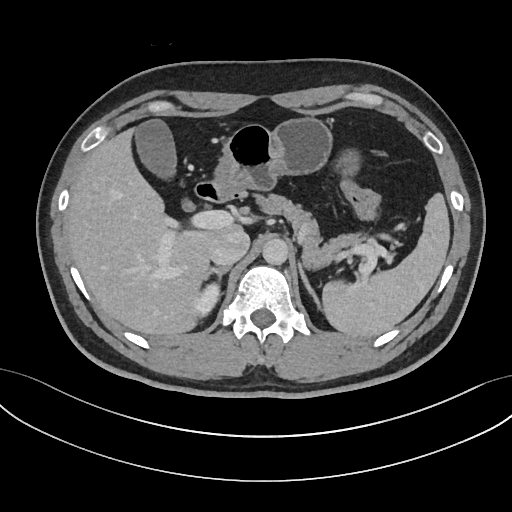
Abdominal CT. axial view. acquired on SOMATOM Force
Boxes: x1 y1 x2 y2 (pixel coords, space-separated).
Organ bounding boxes:
- liver: 65 128 240 335
- left adrenal gland: 299 265 320 307
- inferior vena cava: 210 229 249 265
- spleen: 324 193 449 336
- gall bladder: 135 119 192 210
- duodenum: 194 181 241 202
- stomach: 214 117 360 195
- right adrenal gland: 207 266 230 280
- right kidney: 192 282 219 317
- aorta: 262 238 288 264
- pancreas: 254 193 364 267